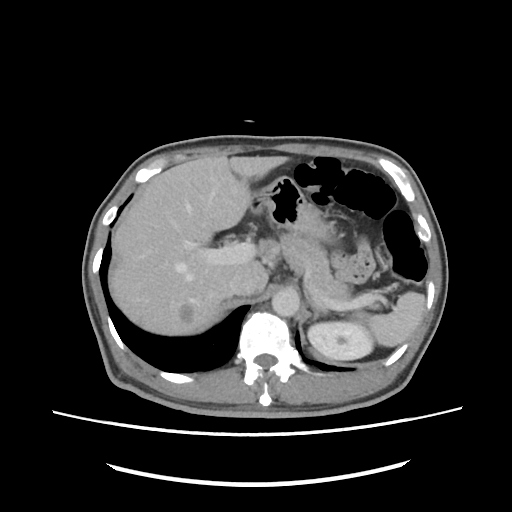
CT abdomen. axial view. W/L 400/40 HU. 512x512 px. acquired on Aquilion ONE. scan has 15 labeled organs (counted over the whole 3D scan, not this slice; an organ is boxed only where this slice passes through it)
Organ boxes in pixel coordinates; each row gives the top-left (x1, y1) and bottom-right (x2, y2) corners.
| organ | x1 | y1 | x2 | y2 |
|---|---|---|---|---|
| stomach | 251 | 176 | 333 | 241 |
| left adrenal gland | 311 | 303 | 326 | 319 |
| inferior vena cava | 229 | 269 | 257 | 295 |
| liver | 109 | 156 | 288 | 335 |
| aorta | 271 | 288 | 299 | 316 |
| pancreas | 261 | 232 | 351 | 301 |
| left kidney | 307 | 321 | 373 | 359 |
| spleen | 356 | 291 | 424 | 347 |